Lower-chest slice from an abdominal CT, just above the liver and spleen — Axial slice 349/353 — soft-tissue window — 512x512 px — acquired on SOMATOM Force
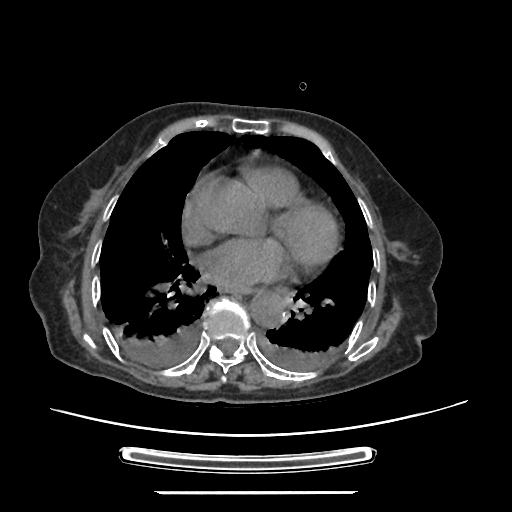

The heart and lungs are never labeled in this dataset, so they have no box on this slice.
Each box given as x1,y1,x2,y2.
esophagus: x1=231, y1=287, x2=251, y2=294
aorta: x1=249, y1=288, x2=287, y2=327